CT abdomen · axial view · 768x768 px
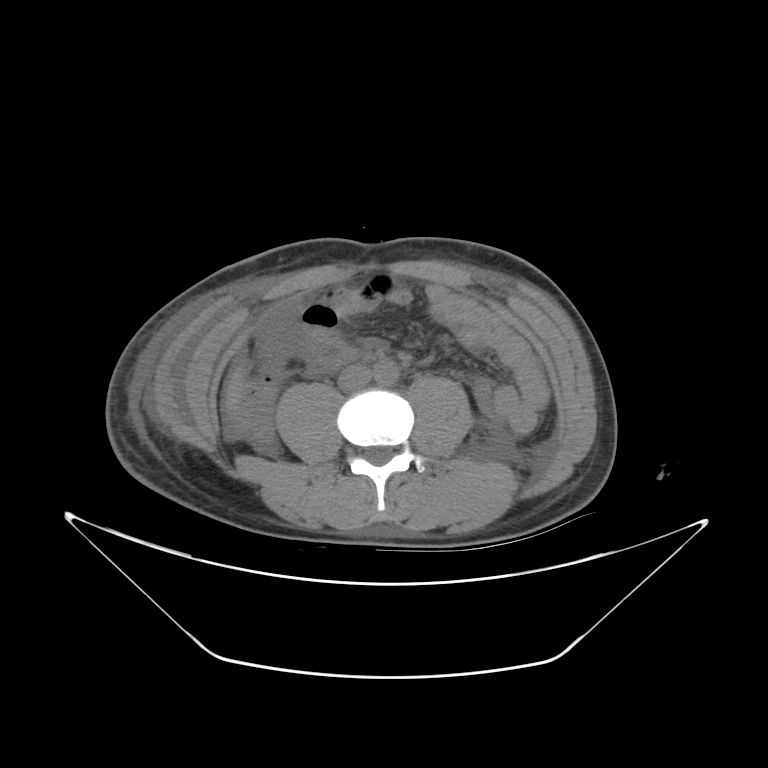
<organs><organ name="liver" x1="227" y1="366" x2="245" y2="407"/><organ name="aorta" x1="374" y1="360" x2="399" y2="385"/><organ name="inferior vena cava" x1="338" y1="365" x2="371" y2="391"/></organs>